CT abdomen; axial plane, index 63; acquired on Aquilion ONE
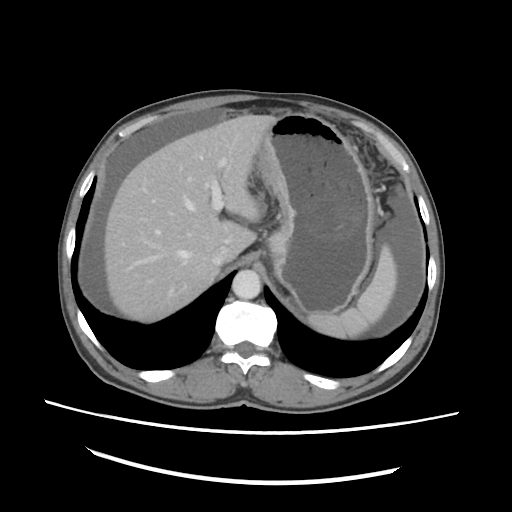
Boxes: x1 y1 x2 y2 (pixel coords, space-separated).
Organ bounding boxes:
- spleen: 307 244 397 338
- liver: 103 115 276 322
- stomach: 255 113 374 313
- aorta: 232 269 261 299
- inferior vena cava: 211 244 236 265